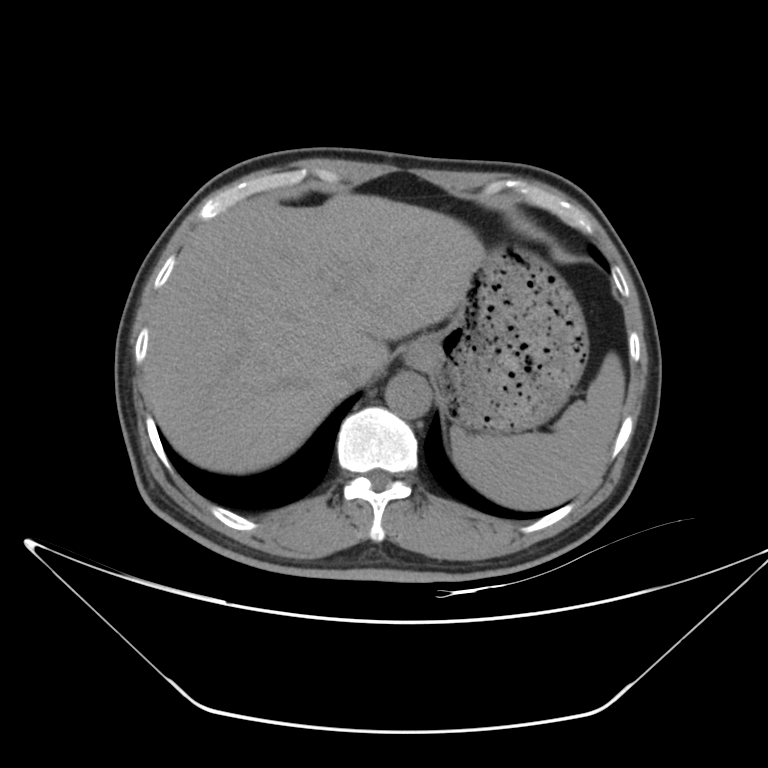
CT, abdomen/pelvis — axial view — soft-tissue window (W 400 / L 40) — 768x768 px — Brilliance16 scanner — 14 organs annotated in this scan (a whole-scan count: organs this slice does not pass through have no box)
Bounding boxes as [x1, y1, x2, y2] in pixel coordinates. Labeled organs on this slice: spleen at [451, 351, 625, 509], liver at [143, 193, 485, 474], stomach at [405, 247, 588, 433], aorta at [385, 373, 431, 418], inferior vena cava at [336, 360, 367, 387].